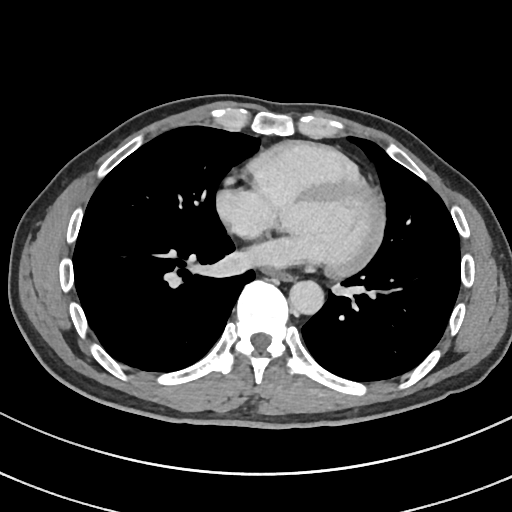

CT of the abdomen reaching into the lower chest, slice just above the liver and spleen · axial view · W/L 400/40 HU · 512x512 px
Of the structures in the chest, this dataset labels only the esophagus, the aorta and the inferior vena cava; the heart and lungs have no label.
Bounding boxes as [x1, y1, x2, y2] in pixel coordinates.
esophagus: [265, 269, 292, 280]
aorta: [289, 280, 323, 314]